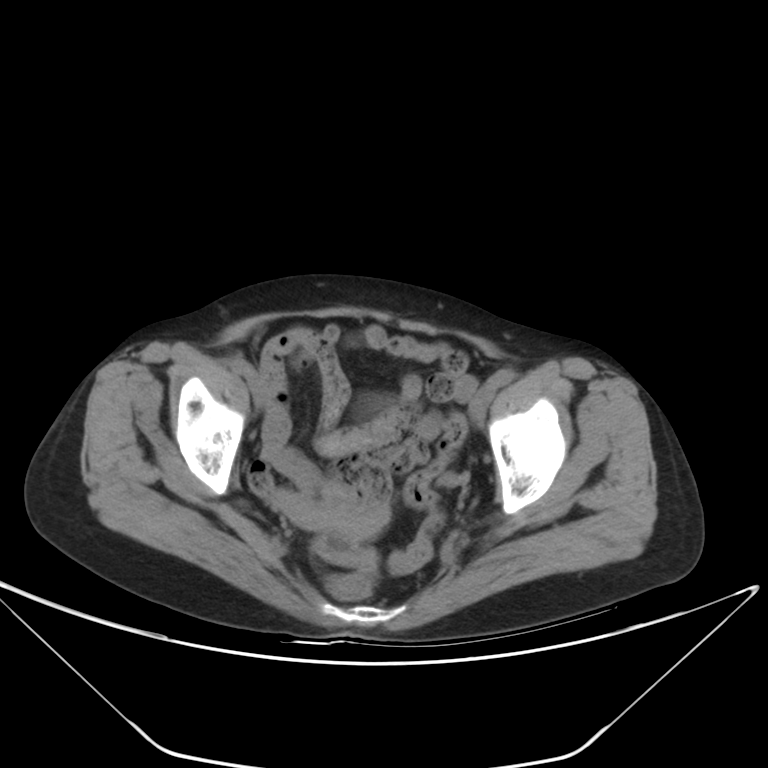
Abdominal CT — axial view — soft-tissue window (W 400 / L 40) — 15 organs annotated in this scan (a whole-scan count: organs this slice does not pass through have no box)
{"organs":{"prostate/uterus":[321,506,378,540]}}